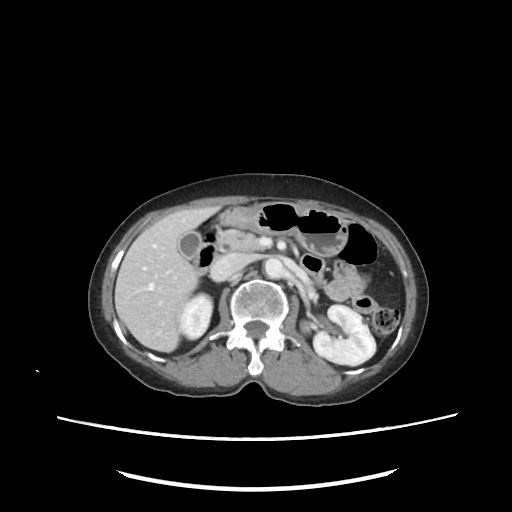

Computed tomography, abdomen — axial view — W/L 400/40 HU
Bounding boxes in pixels, one row per box: x1, y1 is the top-left corner and x2, y2 the bottom-right.
| organ | x1 | y1 | x2 | y2 |
|---|---|---|---|---|
| right kidney | 180 | 294 | 213 | 339 |
| left kidney | 301 | 305 | 374 | 364 |
| gall bladder | 178 | 231 | 229 | 259 |
| liver | 115 | 206 | 219 | 352 |
| stomach | 217 | 202 | 349 | 254 |
| aorta | 264 | 257 | 284 | 277 |
| inferior vena cava | 211 | 254 | 249 | 281 |
| pancreas | 215 | 229 | 270 | 251 |
| duodenum | 194 | 225 | 217 | 275 |